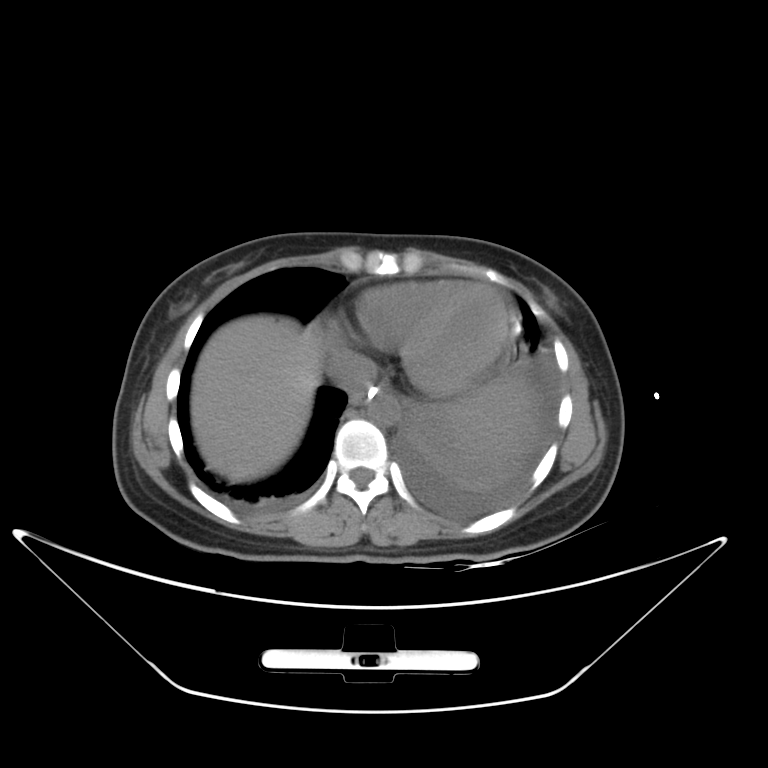
Computed tomography, abdomen. axial view. soft-tissue window (W 400 / L 40)
<organs><organ name="spleen" x1="445" y1="381" x2="534" y2="453"/><organ name="esophagus" x1="348" y1="385" x2="385" y2="405"/><organ name="liver" x1="190" y1="315" x2="323" y2="482"/><organ name="aorta" x1="366" y1="393" x2="398" y2="425"/><organ name="inferior vena cava" x1="328" y1="350" x2="376" y2="392"/></organs>